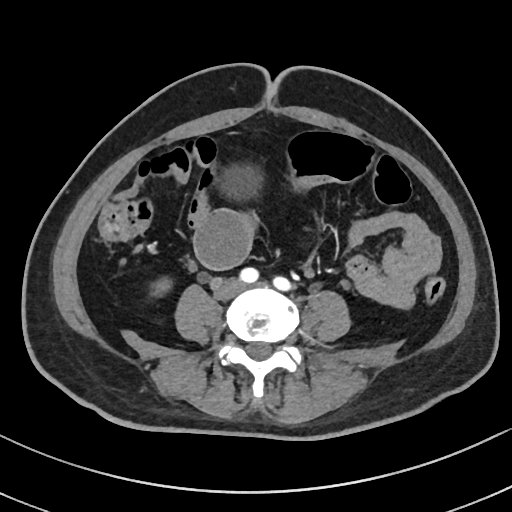

CT abdomen. axial view. 512x512 px. scan has 15 labeled organs (a whole-scan count: organs this slice does not pass through have no box)
Each box given as x1,y1,x2,y2. The annotated organs in this slice are: right kidney at x1=156, y1=277, x2=173, y2=290, bladder at x1=213, y1=163, x2=262, y2=201.